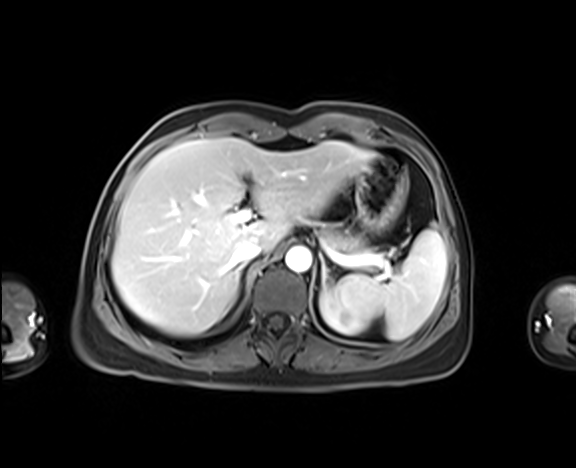

MRI, abdomen; axial view; 576x468 px; scan has 13 labeled organs (that count is for the whole scan; organs this slice misses have no box)
Organ boxes in pixel coordinates; each row gives the top-left (x1, y1) and bottom-right (x2, y2) corners.
| organ | x1 | y1 | x2 | y2 |
|---|---|---|---|---|
| right adrenal gland | 235 | 272 | 242 | 297 |
| inferior vena cava | 232 | 242 | 262 | 265 |
| pancreas | 321 | 225 | 365 | 254 |
| liver | 111 | 138 | 376 | 335 |
| left kidney | 320 | 287 | 372 | 333 |
| left adrenal gland | 319 | 252 | 326 | 287 |
| aorta | 285 | 247 | 311 | 272 |
| spleen | 337 | 228 | 446 | 339 |
| stomach | 355 | 156 | 408 | 233 |